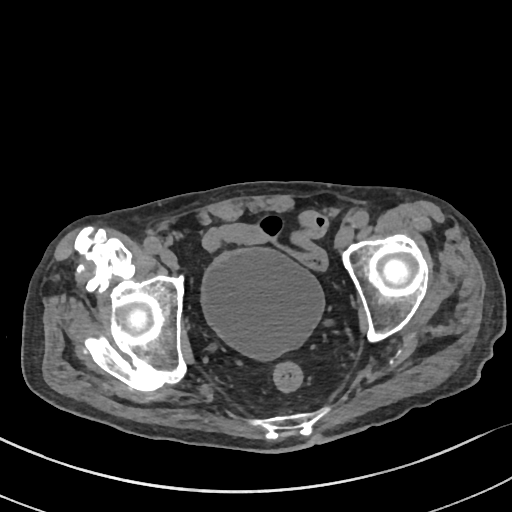 CT, abdomen/pelvis; Axial slice 35/208; soft-tissue window; 512x512 px; 15 organs annotated in this scan (a whole-scan count: organs this slice does not pass through have no box)
Bounding boxes in pixels, one row per box: x1, y1 is the top-left corner and x2, y2 the bottom-right.
| organ | x1 | y1 | x2 | y2 |
|---|---|---|---|---|
| bladder | 201 | 247 | 324 | 358 |